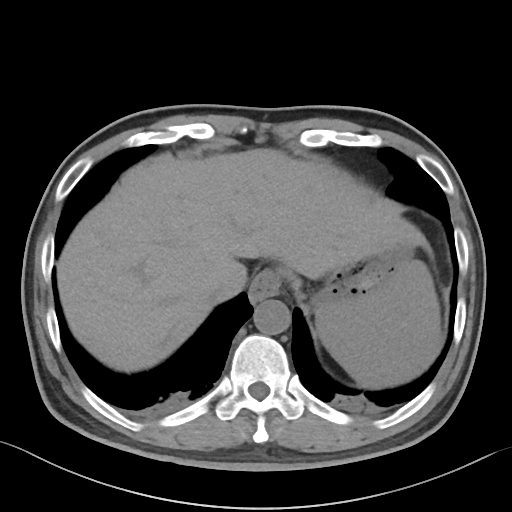

CT, abdomen/pelvis — axial plane, index 86
<organs><organ name="spleen" x1="315" y1="259" x2="443" y2="390"/><organ name="esophagus" x1="249" y1="269" x2="281" y2="302"/><organ name="liver" x1="56" y1="148" x2="438" y2="372"/><organ name="stomach" x1="311" y1="245" x2="413" y2="307"/><organ name="aorta" x1="253" y1="299" x2="290" y2="334"/><organ name="inferior vena cava" x1="209" y1="288" x2="220" y2="299"/></organs>